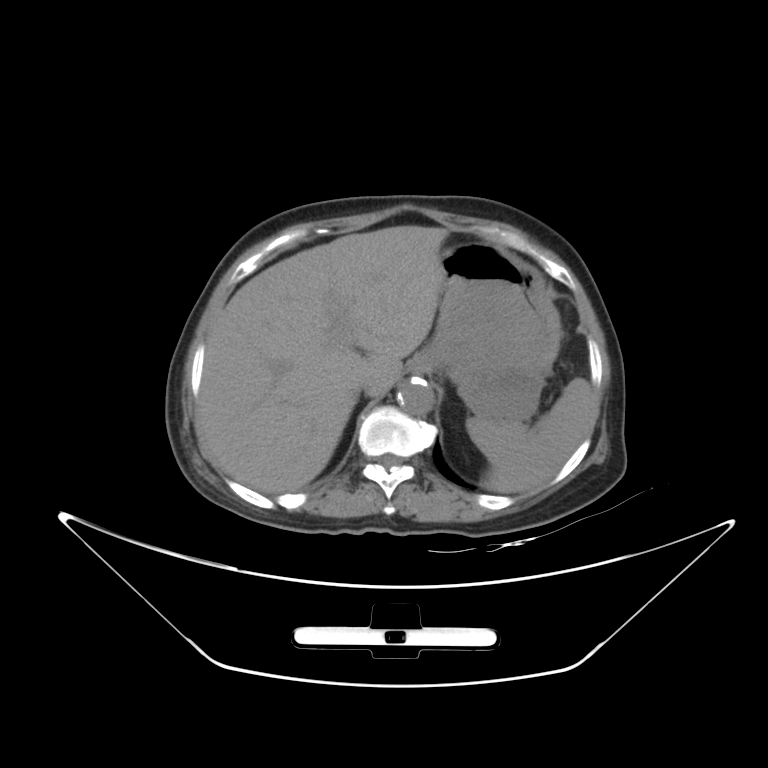 CT, abdomen/pelvis. Axial slice 75/93. soft-tissue window (W 400 / L 40). 768x768 px. 66-year-old female patient. acquired on Brilliance16
{"organs":{"spleen":[466,378,591,492],"liver":[197,225,447,492],"stomach":[409,242,559,420],"aorta":[397,377,433,414],"inferior vena cava":[347,372,375,396]}}